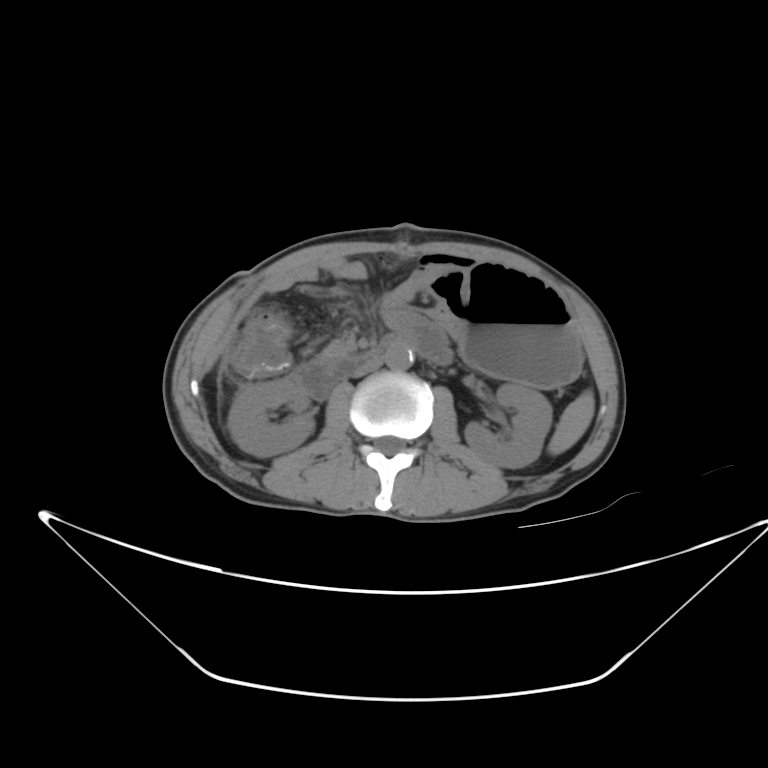
CT, abdomen/pelvis; Axial slice 55/96; Brilliance16 scanner
<organs><organ name="aorta" x1="384" y1="345" x2="412" y2="370"/><organ name="pancreas" x1="317" y1="342" x2="353" y2="364"/><organ name="inferior vena cava" x1="355" y1="358" x2="384" y2="375"/><organ name="stomach" x1="430" y1="265" x2="578" y2="387"/><organ name="left kidney" x1="462" y1="386" x2="551" y2="466"/><organ name="duodenum" x1="300" y1="330" x2="431" y2="401"/><organ name="right kidney" x1="228" y1="380" x2="316" y2="455"/><organ name="spleen" x1="547" y1="392" x2="592" y2="455"/></organs>